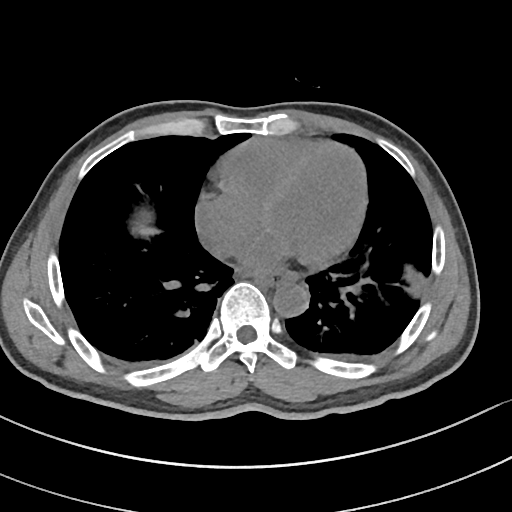 Lower-chest slice from an abdominal CT, just above the liver and spleen; axial plane, index 202; soft-tissue window, W/L 400/40; scan has 15 labeled organs (counted over the whole 3D scan, not this slice; an organ is boxed only where this slice passes through it)
No part of the heart or lungs is labeled in this dataset, so neither has a box here.
Organ boxes in pixel coordinates; each row gives the top-left (x1, y1) and bottom-right (x2, y2) corners.
| organ | x1 | y1 | x2 | y2 |
|---|---|---|---|---|
| esophagus | 254 | 268 | 298 | 284 |
| aorta | 273 | 282 | 308 | 317 |